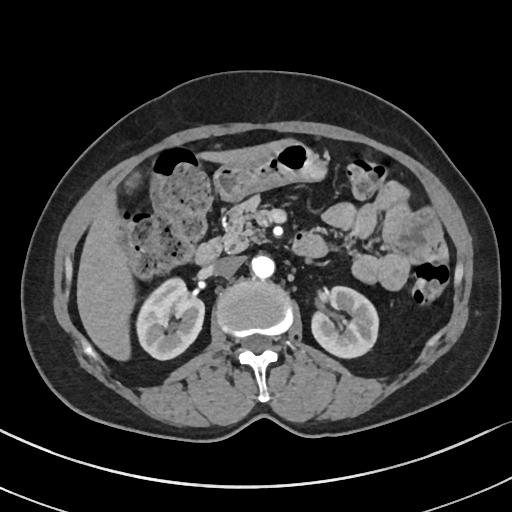 Computed tomography, abdomen — axial view — soft-tissue window (W 400 / L 40) — 512x512 px
<organs><organ name="stomach" x1="213" y1="140" x2="326" y2="201"/><organ name="pancreas" x1="219" y1="196" x2="264" y2="252"/><organ name="gall bladder" x1="126" y1="173" x2="140" y2="190"/><organ name="duodenum" x1="195" y1="232" x2="327" y2="264"/><organ name="liver" x1="76" y1="139" x2="292" y2="360"/><organ name="left kidney" x1="311" y1="286" x2="378" y2="357"/><organ name="aorta" x1="251" y1="255" x2="274" y2="279"/><organ name="inferior vena cava" x1="213" y1="256" x2="244" y2="276"/><organ name="right kidney" x1="136" y1="277" x2="204" y2="360"/></organs>